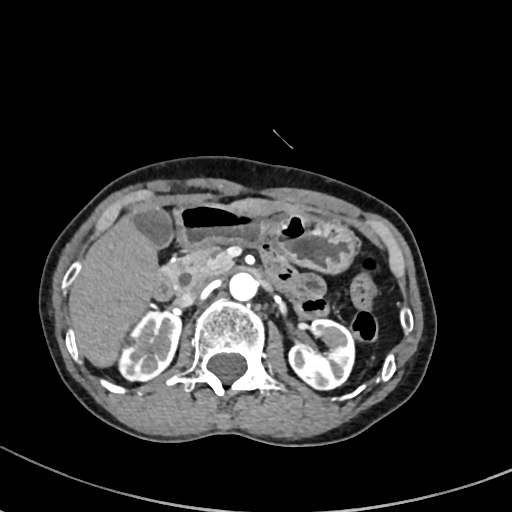

Abdominal CT. axial view
<organs><organ name="duodenum" x1="151" y1="263" x2="293" y2="300"/><organ name="left kidney" x1="288" y1="319" x2="354" y2="389"/><organ name="stomach" x1="173" y1="201" x2="357" y2="274"/><organ name="aorta" x1="229" y1="272" x2="258" y2="300"/><organ name="inferior vena cava" x1="177" y1="277" x2="210" y2="305"/><organ name="gall bladder" x1="132" y1="207" x2="173" y2="248"/><organ name="liver" x1="69" y1="198" x2="306" y2="367"/><organ name="pancreas" x1="165" y1="245" x2="219" y2="284"/><organ name="right kidney" x1="119" y1="311" x2="181" y2="381"/></organs>